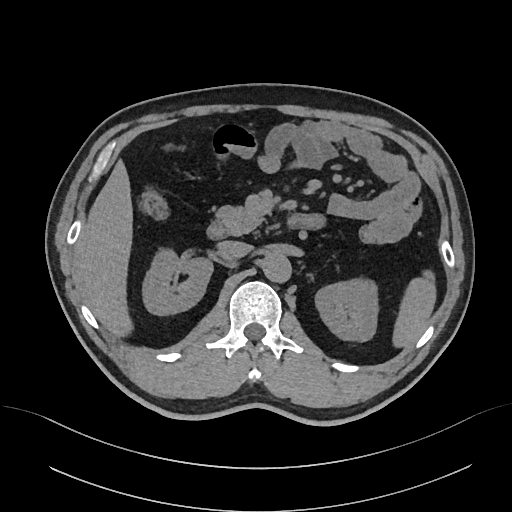
Computed tomography, abdomen — axial view — W/L 400/40 HU — 512x512 px
Box edges are left/top/right/bottom in pixels.
duodenum: left=207, top=214, right=308, bottom=239
aorta: left=261, top=253, right=291, bottom=282
inferior vena cava: left=219, top=240, right=251, bottom=258
spleen: left=392, top=270, right=435, bottom=347
right kidney: left=142, top=248, right=213, bottom=315
left kidney: left=315, top=278, right=378, bottom=341
liver: left=77, top=160, right=132, bottom=335
pancreas: left=216, top=205, right=263, bottom=235